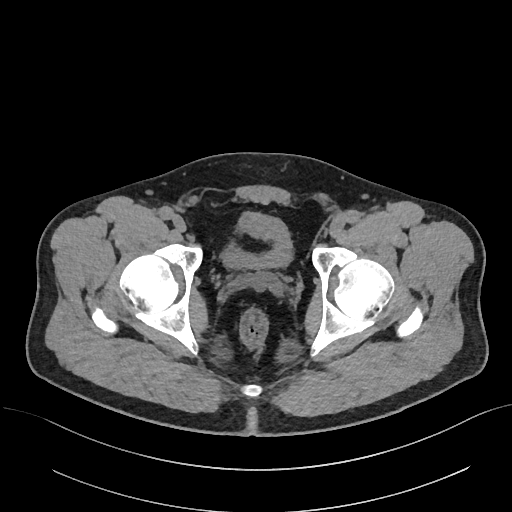 Abdominal CT · Axial slice 38/265 · 512x512 px
Each box given as x1,y1,x2,y2.
bladder: x1=221, y1=212, x2=291, y2=269